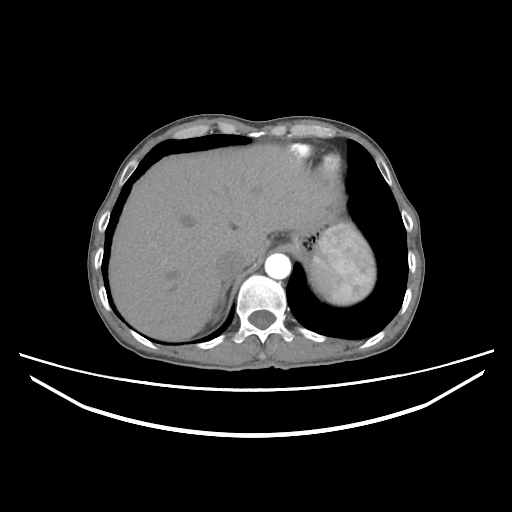

CT, abdomen/pelvis — axial view — 512x512 px — acquired on Aquilion ONE
One row per box, in pixels: columns x1 and y1 give the top-left corner, x2 and y2 the bottom-right.
| organ | x1 | y1 | x2 | y2 |
|---|---|---|---|---|
| spleen | 310 | 222 | 375 | 304 |
| liver | 108 | 144 | 340 | 340 |
| aorta | 265 | 253 | 291 | 279 |
| inferior vena cava | 216 | 251 | 248 | 281 |
| right adrenal gland | 220 | 282 | 230 | 308 |